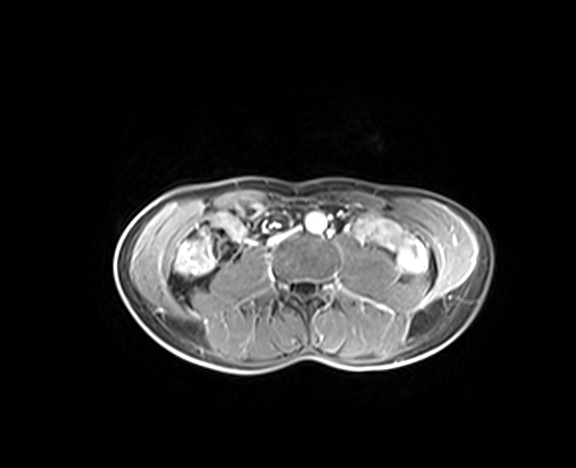

MRI, abdomen. axial plane, index 11. percentile-normalized. acquired on Prisma. 13 organs annotated in this scan (a whole-scan count: organs this slice does not pass through have no box)
{"organs":{"aorta":[305,213,326,232]}}